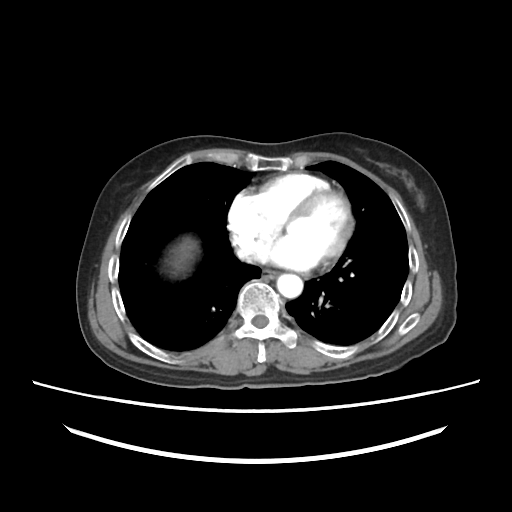 Lower-chest slice from an abdominal CT, just above the liver and spleen · axial view · 512x512 px · 62-year-old female patient · Aquilion ONE scanner · 15 organs annotated in this scan (a whole-scan count: organs this slice does not pass through have no box)
The heart and lungs are never labeled in this dataset, so they have no box on this slice.
Organ boxes in pixel coordinates; each row gives the top-left (x1, y1) and bottom-right (x2, y2) corners.
| organ | x1 | y1 | x2 | y2 |
|---|---|---|---|---|
| aorta | 277 | 273 | 302 | 297 |
| esophagus | 263 | 270 | 278 | 279 |